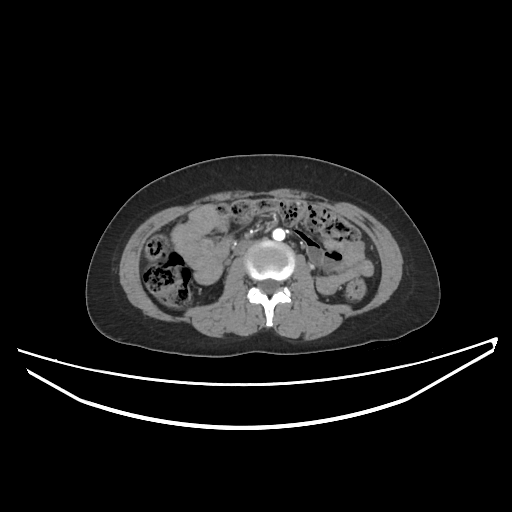

Abdominal CT; axial view; soft-tissue window (W 400 / L 40); 37-year-old female patient
Bounding boxes in pixels, one row per box: x1, y1 is the top-left corner and x2, y2 the bottom-right.
| organ | x1 | y1 | x2 | y2 |
|---|---|---|---|---|
| aorta | 272 | 228 | 284 | 240 |
| inferior vena cava | 234 | 240 | 248 | 256 |